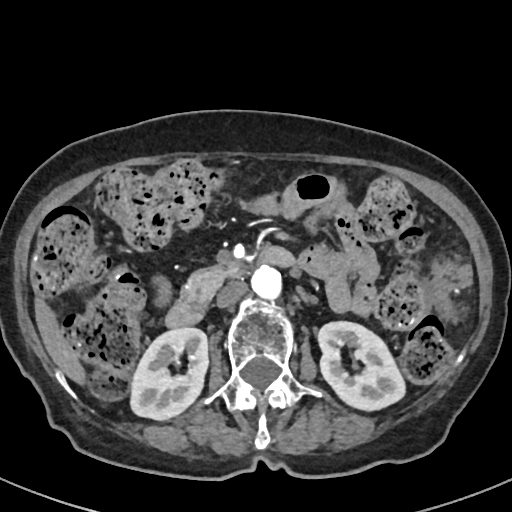
Computed tomography, abdomen. axial plane, index 129. acquired on SOMATOM Force
<organs><organ name="right kidney" x1="132" y1="328" x2="207" y2="419"/><organ name="left kidney" x1="317" y1="321" x2="403" y2="408"/><organ name="liver" x1="35" y1="302" x2="82" y2="380"/><organ name="aorta" x1="251" y1="264" x2="280" y2="296"/><organ name="inferior vena cava" x1="216" y1="280" x2="247" y2="306"/><organ name="pancreas" x1="180" y1="260" x2="249" y2="303"/><organ name="duodenum" x1="166" y1="245" x2="295" y2="327"/></organs>